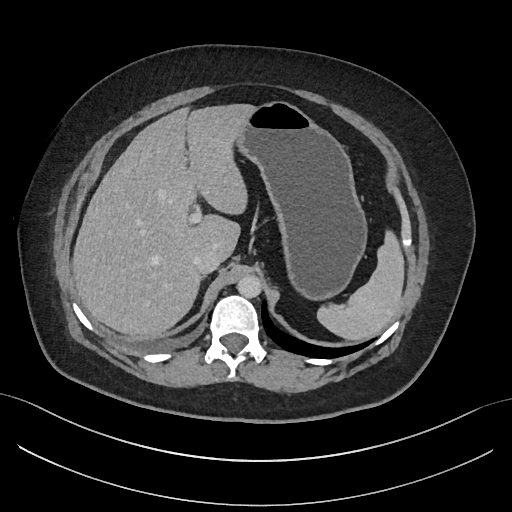 CT, abdomen/pelvis. axial view
Boxes are (x1, y1, x2, y2) in pixels.
spleen: (317, 230, 403, 340)
liver: (72, 104, 254, 336)
stomach: (236, 101, 367, 300)
aorta: (237, 275, 261, 298)
inferior vena cava: (194, 247, 221, 274)